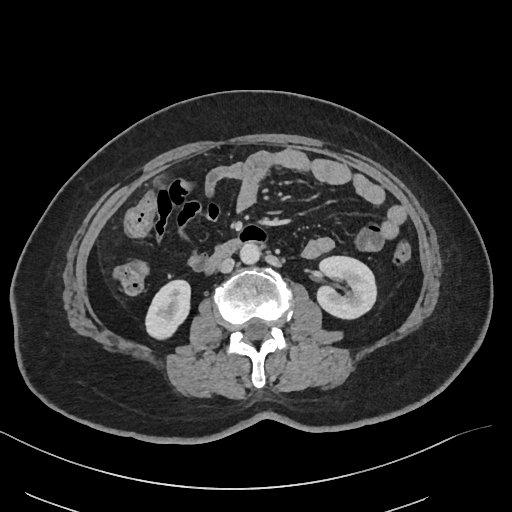 CT abdomen; Axial slice 139/244; 512x512 px; SOMATOM Force scanner
<organs><organ name="right kidney" x1="146" y1="280" x2="190" y2="338"/><organ name="left kidney" x1="317" y1="256" x2="376" y2="318"/><organ name="aorta" x1="240" y1="242" x2="260" y2="264"/><organ name="inferior vena cava" x1="219" y1="257" x2="234" y2="272"/><organ name="duodenum" x1="205" y1="239" x2="240" y2="272"/></organs>